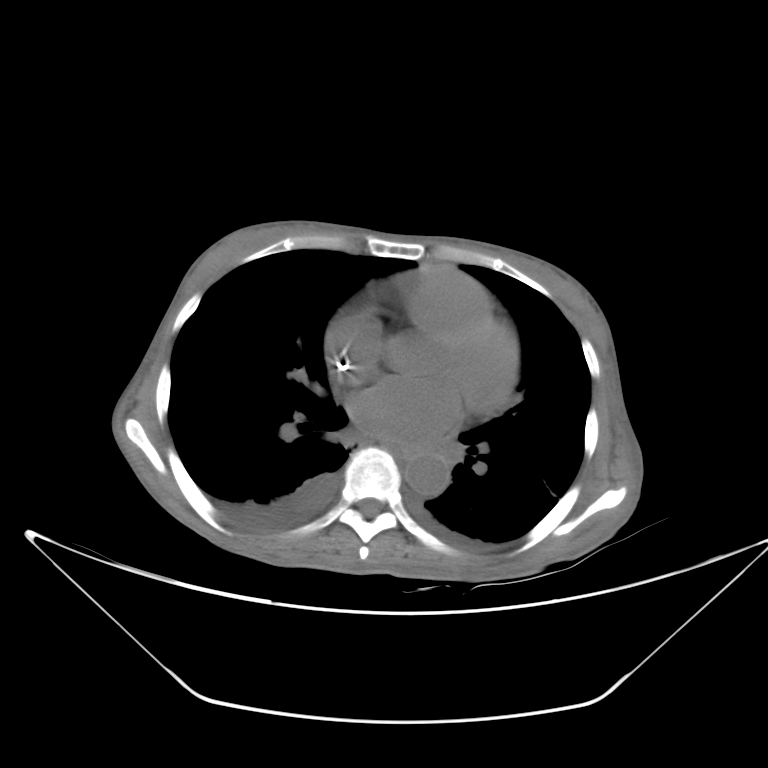 Abdominal CT; this slice is in the lower chest, just above the liver. Axial slice 104/105. 56-year-old female patient. Brilliance16 scanner. 15 organs annotated in this scan (counted over the whole 3D scan, not this slice; an organ is boxed only where this slice passes through it)
Of the structures in the chest, this dataset labels only the esophagus, the aorta and the inferior vena cava; the heart and lungs have no label.
<organs><organ name="esophagus" x1="382" y1="443" x2="419" y2="457"/><organ name="aorta" x1="404" y1="452" x2="450" y2="496"/></organs>